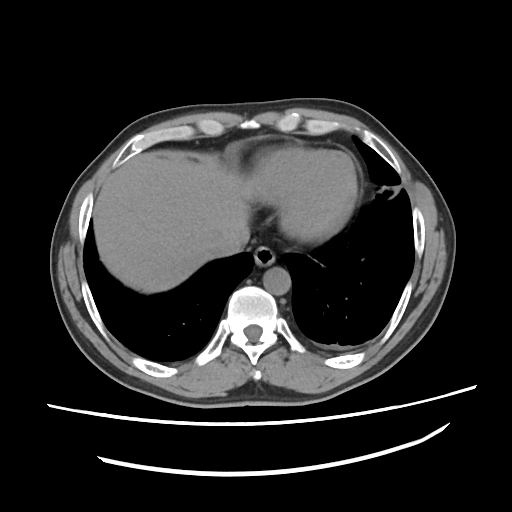

CT, abdomen/pelvis — axial view — soft-tissue window — scan has 15 labeled organs (that count is for the whole scan; organs this slice misses have no box)
<organs><organ name="liver" x1="92" y1="157" x2="250" y2="293"/><organ name="aorta" x1="264" y1="267" x2="290" y2="295"/><organ name="esophagus" x1="253" y1="246" x2="275" y2="266"/><organ name="inferior vena cava" x1="214" y1="240" x2="240" y2="258"/></organs>